Computed tomography, abdomen · axial view
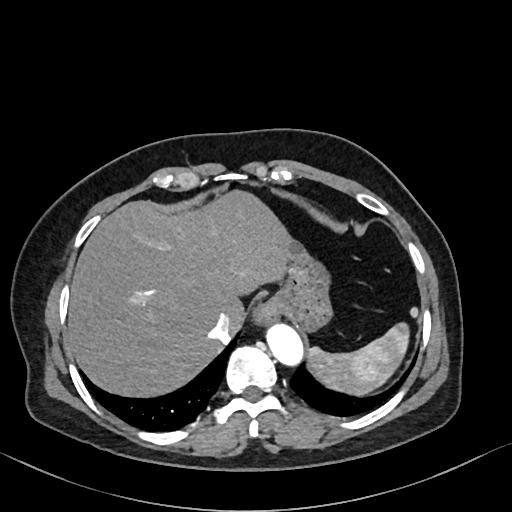

<organs><organ name="spleen" x1="307" y1="323" x2="409" y2="395"/><organ name="esophagus" x1="256" y1="298" x2="282" y2="322"/><organ name="liver" x1="67" y1="189" x2="297" y2="398"/><organ name="stomach" x1="273" y1="247" x2="332" y2="332"/><organ name="aorta" x1="265" y1="322" x2="303" y2="366"/><organ name="inferior vena cava" x1="209" y1="313" x2="232" y2="342"/></organs>